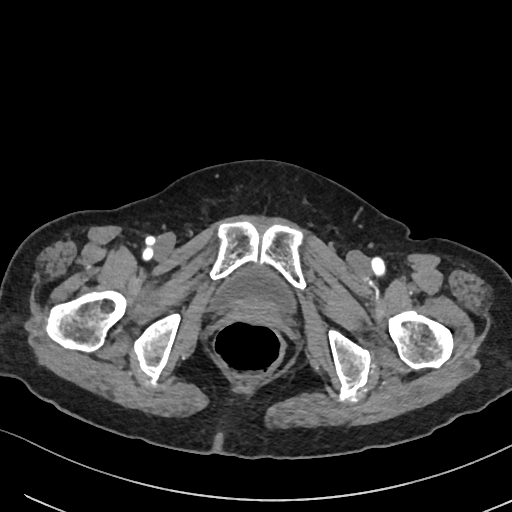

CT, abdomen/pelvis — axial view
{"organs":{"bladder":[211,265,297,311]}}